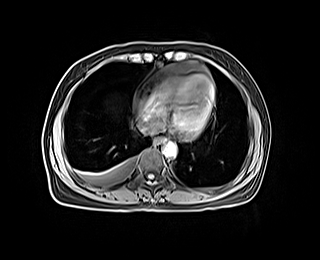

Abdominal MRI; this slice is in the lower chest, just above the liver. axial view. 13 organs annotated in this scan (that count is for the whole scan; organs this slice misses have no box)
Of the structures in the chest, this dataset labels only the esophagus, the aorta and the inferior vena cava; the heart and lungs have no label.
Each box given as x1,y1,x2,y2.
Organ bounding boxes:
- esophagus: x1=154, y1=137, x2=164, y2=144
- aorta: x1=163, y1=142, x2=176, y2=157
- inferior vena cava: x1=137, y1=123, x2=153, y2=134